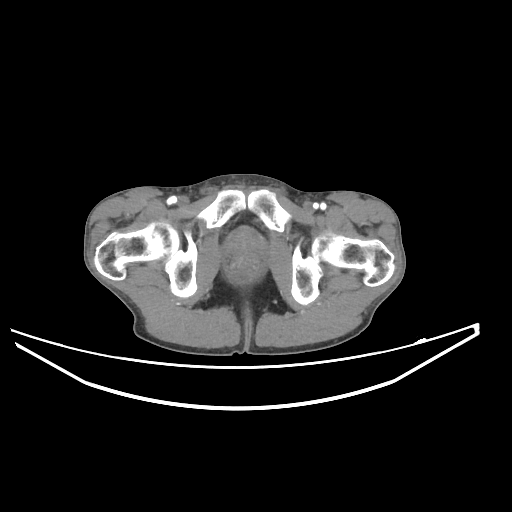
CT abdomen. axial plane, index 13. acquired on Aquilion ONE
Coordinates as <box>x1,y1,x2,y2</box> in pixels. 1 labeled organ on this slice — prostate/uterus at <box>225,227,264,263</box>.